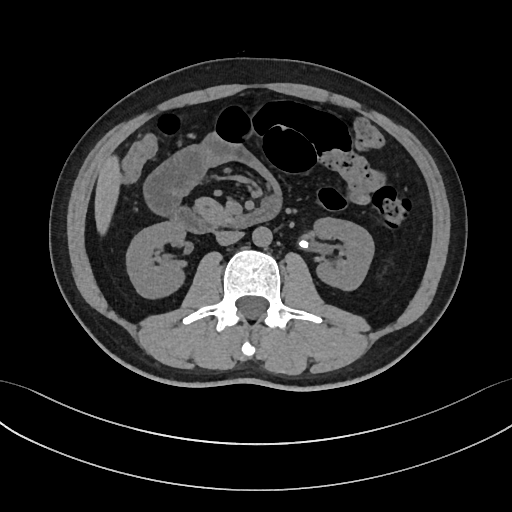 CT, abdomen/pelvis — axial view — 512x512 px — 15 organs annotated in this scan (that count is for the whole scan; organs this slice misses have no box)
{"organs":{"right kidney":[126,221,185,296],"left kidney":[312,217,373,289],"liver":[95,156,120,231],"aorta":[252,226,272,246],"inferior vena cava":[216,230,243,245],"pancreas":[196,198,232,225],"duodenum":[172,198,280,233]}}